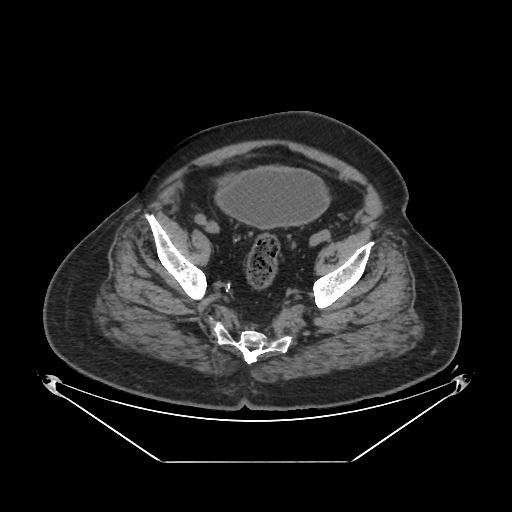

Abdominal CT. axial view. soft-tissue window (W 400 / L 40). 512x512 px
Boxes are (x1, y1, x2, y2) in pixels.
Organ bounding boxes:
- bladder: (215, 167, 330, 229)